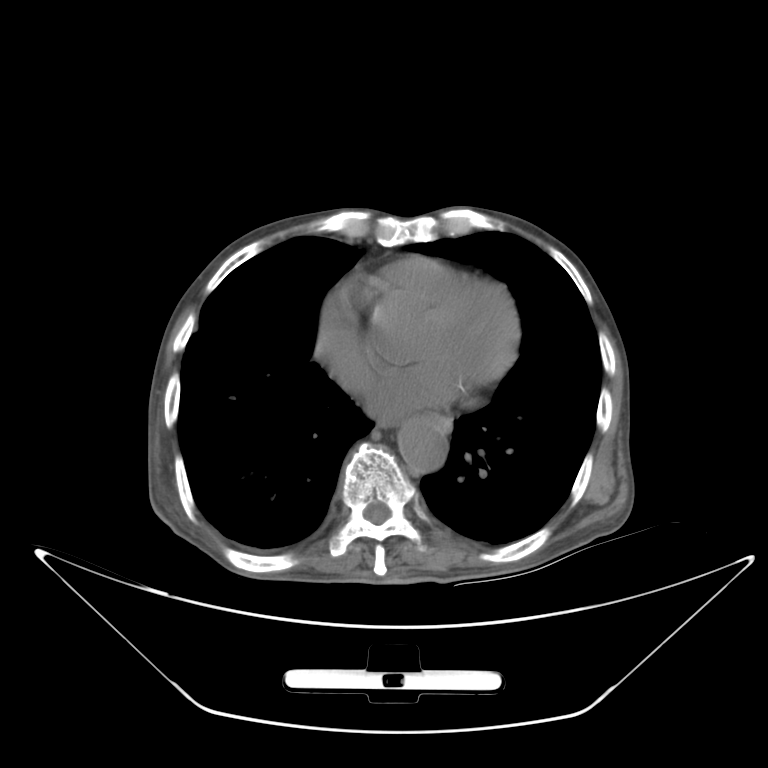
CT of the abdomen reaching into the lower chest, slice just above the liver and spleen. axial view. soft-tissue window. 68-year-old male patient
Of the structures in the chest, this dataset labels only the esophagus, the aorta and the inferior vena cava; the heart and lungs have no label. Bounding boxes as [x1, y1, x2, y2] in pixel coordinates. The annotated organs in this slice are: esophagus at [417, 410, 452, 432], aorta at [397, 417, 449, 473], inferior vena cava at [336, 364, 379, 391].